Computed tomography, abdomen — Axial slice 82/89 — W/L 400/40 HU — 512x512 px — 61-year-old female patient — 15 organs annotated in this scan (counted over the whole 3D scan, not this slice; an organ is boxed only where this slice passes through it)
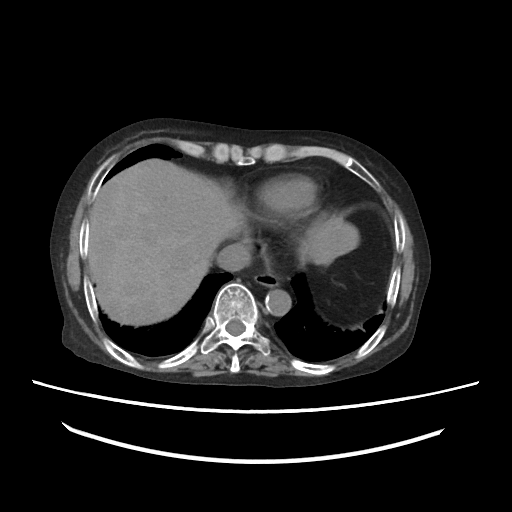
Coordinates as <box>x1,y1,x2,y2</box> in pixels. Labeled organs on this slice: inferior vena cava at <box>216,242,250,271</box>, aorta at <box>265,289,291,315</box>, esophagus at <box>254,272,279,287</box>, liver at <box>89,159,359,326</box>.